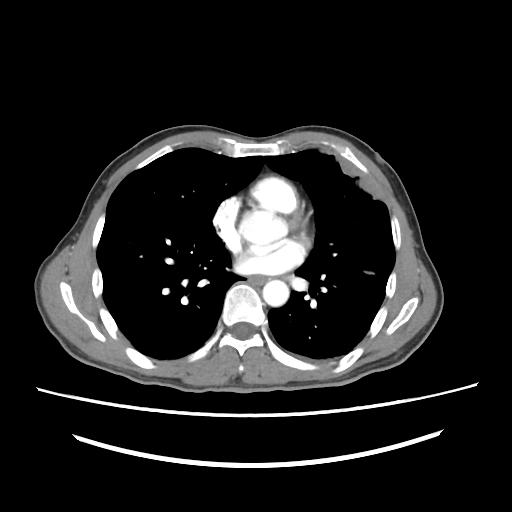 Abdominal CT reaching into the chest; this slice is in the chest. axial view. 512x512 px. acquired on Aquilion ONE. 13 organs annotated in this scan (counted over the whole 3D scan, not this slice; an organ is boxed only where this slice passes through it)
On a slice this high in the chest, this dataset labels only the esophagus and the aorta, and each is boxed only where it is labeled; the heart, lungs and other chest structures are not labeled.
Box edges are left/top/right/bottom in pixels.
Organ bounding boxes:
- aorta: left=262, top=278, right=288, bottom=306
- esophagus: left=249, top=276, right=268, bottom=285